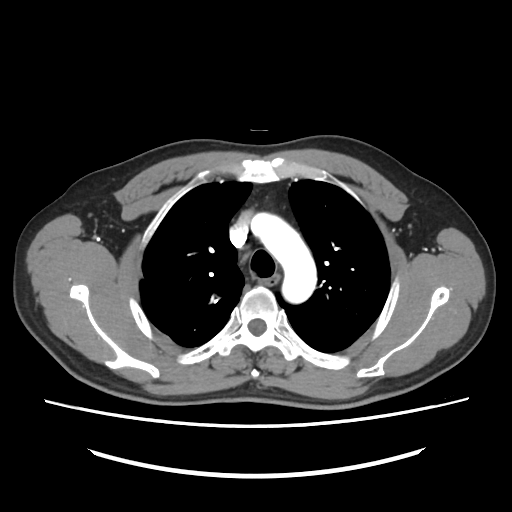 CT of the abdomen extending into the chest, slice through the chest — axial plane, index 118 — soft-tissue window
At this level of the chest no structure but the esophagus and the aorta has a label in this dataset, and those two are boxed only where they are labeled.
Boxes: x1 y1 x2 y2 (pixel coords, space-separated).
esophagus: 259 274 278 287
aorta: 251 213 316 303